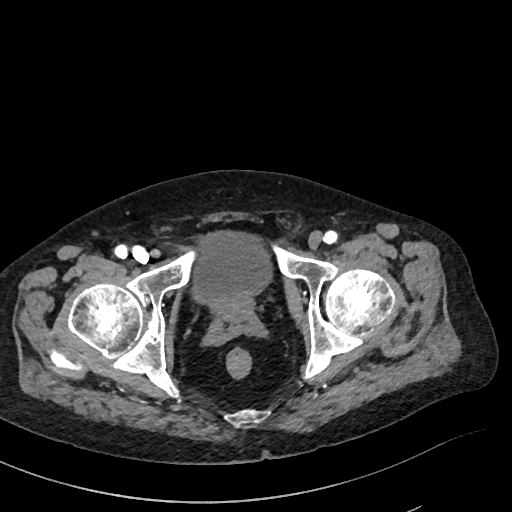

CT, abdomen/pelvis — axial view — soft-tissue window — 512x512 px
Organ boxes in pixel coordinates; each row gives the top-left (x1, y1) and bottom-right (x2, y2) corners.
| organ | x1 | y1 | x2 | y2 |
|---|---|---|---|---|
| bladder | 192 | 231 | 271 | 306 |
| prostate/uterus | 214 | 297 | 253 | 321 |